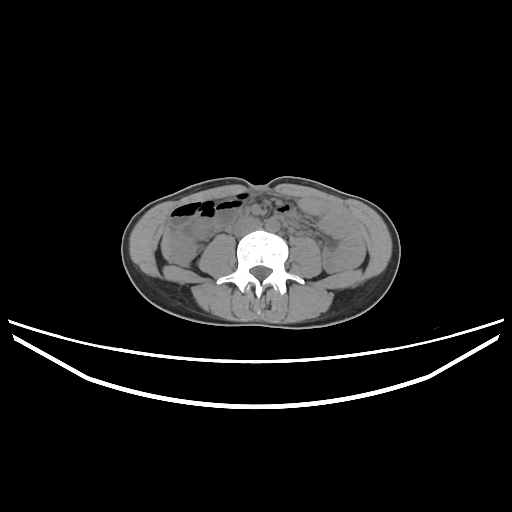
CT abdomen; Axial slice 47/85; Aquilion ONE scanner
Boxes are (x1, y1, x2, y2) in pixels. Labeled organs on this slice: liver at (161, 225, 168, 258), aorta at (265, 218, 280, 232), inferior vena cava at (232, 218, 261, 236).